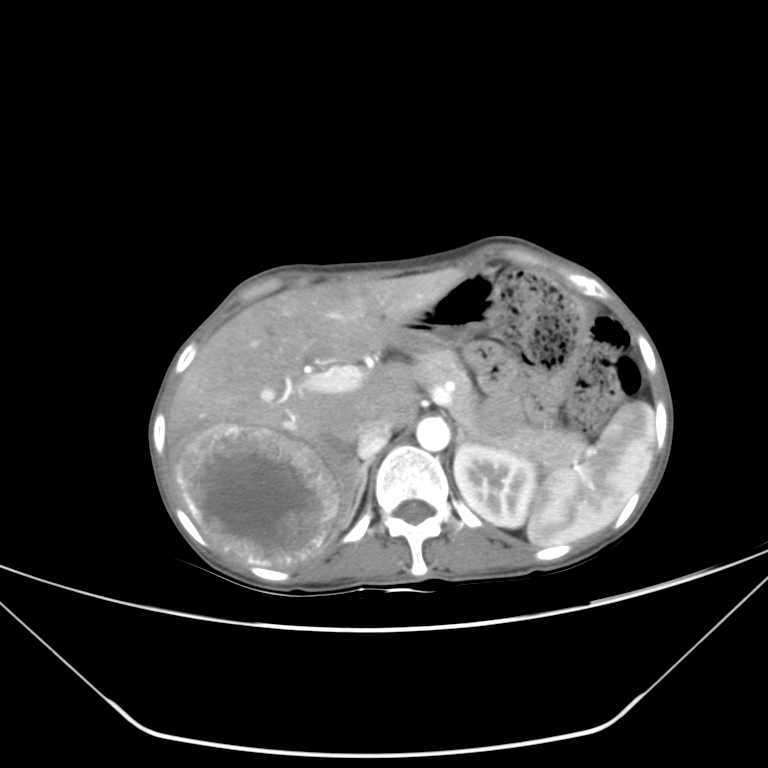
Abdominal CT · axial plane, index 69 · soft-tissue window (W 400 / L 40)
Each box given as x1,y1,x2,y2.
spleen: x1=526, y1=401, x2=654, y2=546
left kidney: x1=453, y1=443, x2=536, y2=527
liver: x1=168, y1=268, x2=467, y2=568
stomach: x1=395, y1=269, x2=503, y2=352
aorta: x1=416, y1=417, x2=449, y2=451
inferior vena cava: x1=355, y1=417, x2=392, y2=459
pancreas: x1=410, y1=348, x2=582, y2=470
right adrenal gland: x1=341, y1=459, x2=372, y2=526
left adrenal gland: x1=455, y1=425, x2=480, y2=446